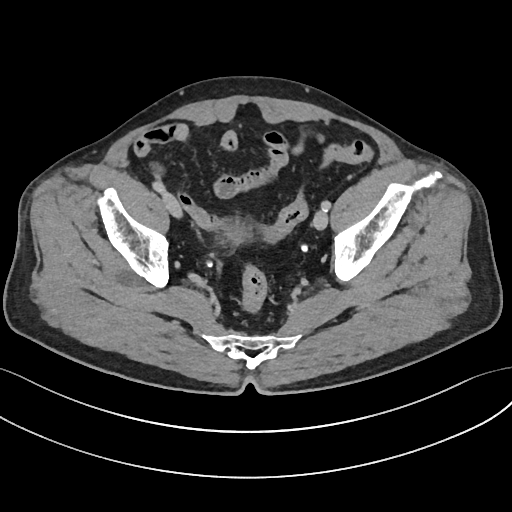

CT, abdomen/pelvis. axial view. W/L 400/40 HU. 512x512 px
{"organs":{"bladder":[223,223,248,240]}}